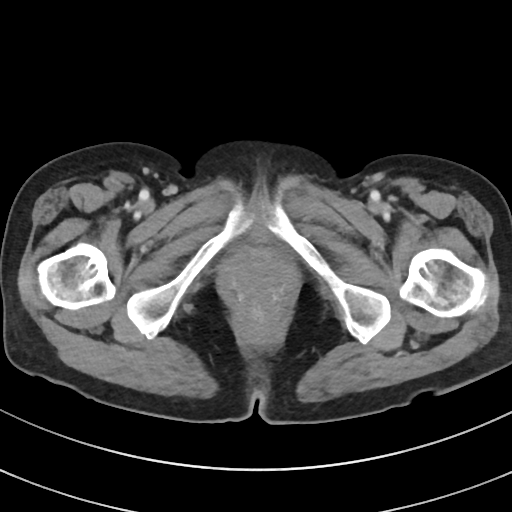

CT abdomen · axial view · abdomen soft-tissue window · 512x512 px · SOMATOM Force scanner · scan has 15 labeled organs (counted over the whole 3D scan, not this slice; an organ is boxed only where this slice passes through it)
Each box given as x1,y1,x2,y2. Labeled organs on this slice: prostate/uterus at x1=219, y1=247, x2=297, y2=299.